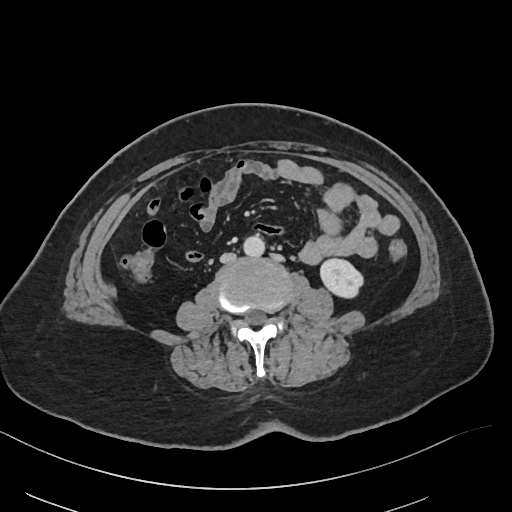 Computed tomography, abdomen — axial plane, index 124 — 15 organs annotated in this scan (counted over the whole 3D scan, not this slice; an organ is boxed only where this slice passes through it)
One row per box, in pixels: columns x1 and y1 give the top-left corner, x2 and y2 the bottom-right.
| organ | x1 | y1 | x2 | y2 |
|---|---|---|---|---|
| left kidney | 319 | 257 | 362 | 298 |
| aorta | 243 | 235 | 264 | 257 |
| inferior vena cava | 220 | 253 | 235 | 263 |